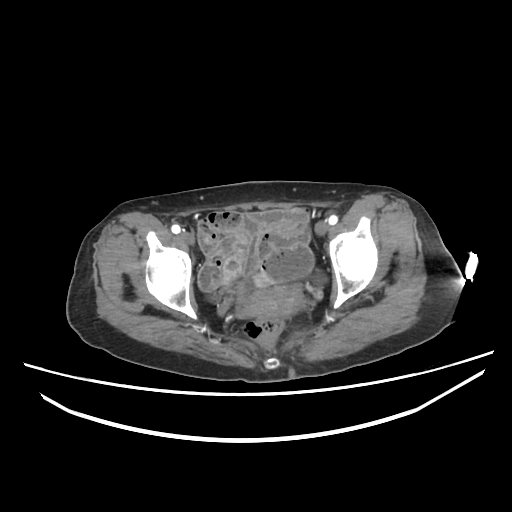

Abdominal CT; axial view; abdomen soft-tissue window
Coordinates as <box>x1,y1,x2,y2</box> in pixels. Labeled organs on this slice: bladder at <box>205,270,328,303</box>, prostate/uterus at <box>244,286,303,321</box>.